CT, abdomen/pelvis · Axial slice 46/81 · W/L 400/40 HU
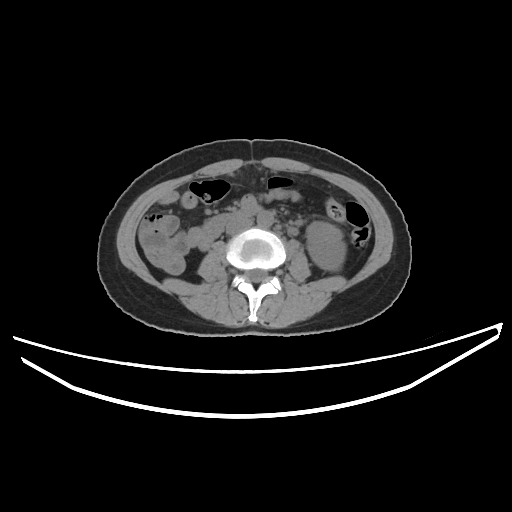
{"organs":{"left kidney":[306,221,345,270],"aorta":[257,210,273,227],"inferior vena cava":[226,218,252,234]}}